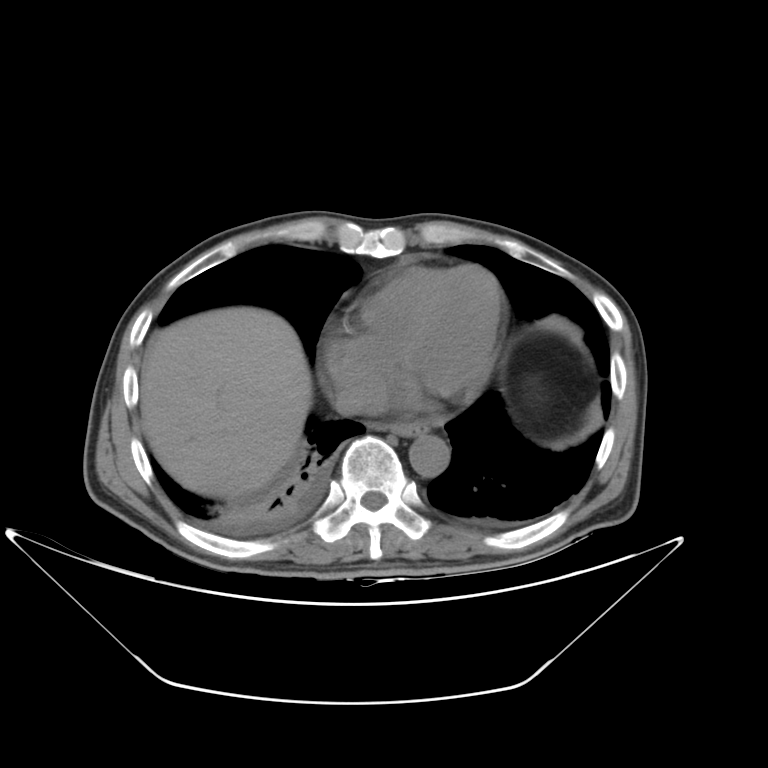 Abdominal CT — axial view — W/L 400/40 HU — 768x768 px — 65-year-old male patient
Box edges are left/top/right/bottom in pixels.
liver: left=140, top=306, right=312, bottom=499
inferior vena cava: left=334, top=385, right=368, bottom=415
esophagus: left=373, top=422, right=429, bottom=436
aorta: left=409, top=435, right=449, bottom=477